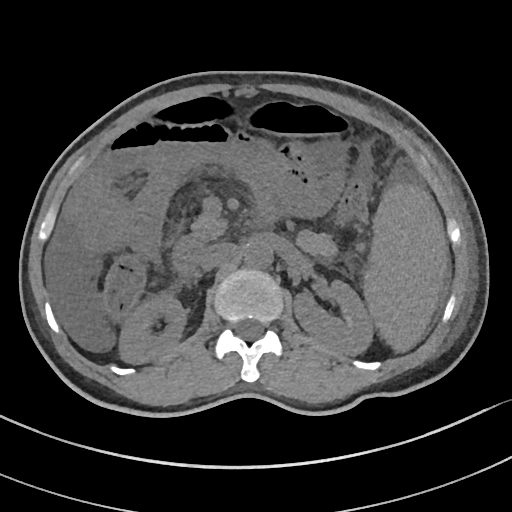
CT abdomen; Axial slice 132/206; scan has 15 labeled organs (that count is for the whole scan; organs this slice misses have no box)
Each box given as x1,y1,x2,y2.
duodenum: x1=172, y1=236, x2=202, y2=281
spleen: x1=363, y1=185, x2=447, y2=352
aorta: x1=245, y1=242, x2=273, y2=268
pancreas: x1=186, y1=213, x2=226, y2=249
right kidney: x1=119, y1=293, x2=186, y2=363
left kidney: x1=293, y1=280, x2=373, y2=355
inferior vena cava: x1=199, y1=243, x2=236, y2=270